CT abdomen — axial view — soft-tissue window
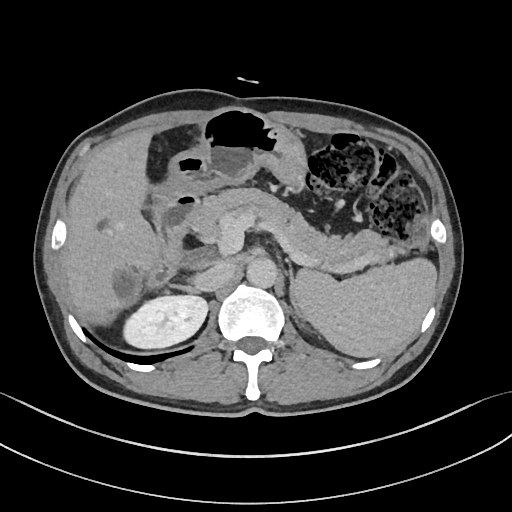
{"organs":{"spleen":[293,259,436,356],"right kidney":[123,294,207,349],"liver":[66,130,366,357],"stomach":[151,108,305,200],"aorta":[246,256,276,286],"inferior vena cava":[194,261,235,291],"pancreas":[189,187,395,267],"right adrenal gland":[171,284,199,292],"left adrenal gland":[287,259,303,317],"duodenum":[147,195,196,287]}}